Magnetic resonance imaging, abdomen. Coronal slice 111/144
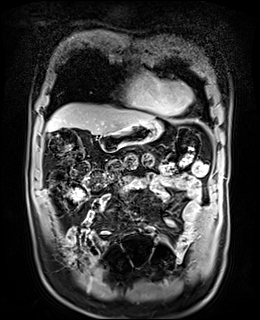

Boxes: x1 y1 x2 y2 (pixel coords, space-separated).
liver: 47 103 154 134
stomach: 98 120 162 152